Abdominal MRI — axial plane, index 68 — percentile-normalized — Prisma scanner
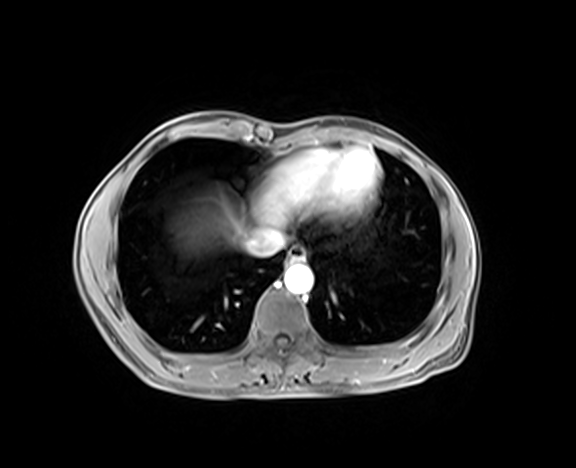

<organs><organ name="esophagus" x1="287" y1="247" x2="305" y2="262"/><organ name="liver" x1="176" y1="189" x2="248" y2="247"/><organ name="inferior vena cava" x1="245" y1="227" x2="284" y2="256"/><organ name="aorta" x1="284" y1="265" x2="313" y2="293"/></organs>